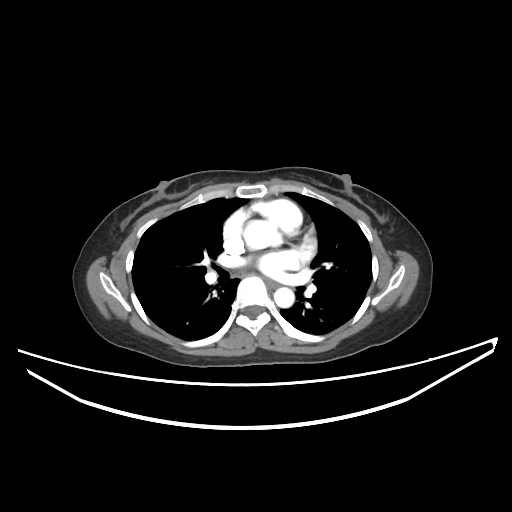

Abdominal CT reaching into the chest; this slice is in the chest. axial view. 37-year-old female patient
At this level of the chest no structure but the esophagus and the aorta has a label in this dataset, and those two are boxed only where they are labeled.
Coordinates as <box>x1,y1,x2,y2</box> in pixels.
Organ bounding boxes:
- esophagus: <box>265,277,276,286</box>
- aorta: <box>243,220,279,249</box>
- aorta: <box>274,287,294,307</box>